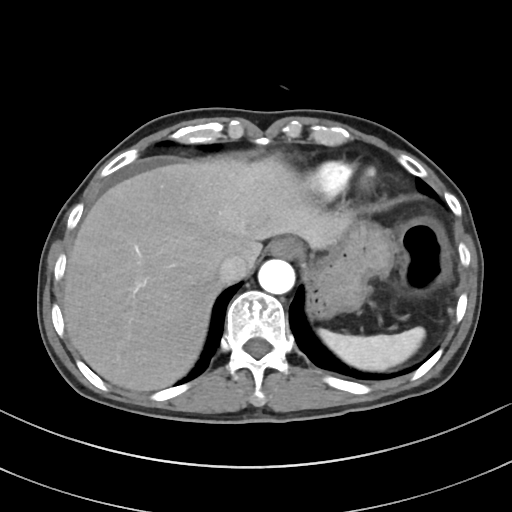 Computed tomography, abdomen — axial view — acquired on SOMATOM Force — scan has 15 labeled organs (that count is for the whole scan; organs this slice misses have no box)
Organ boxes in pixel coordinates; each row gives the top-left (x1, y1) and bottom-right (x2, y2) corners.
| organ | x1 | y1 | x2 | y2 |
|---|---|---|---|---|
| spleen | 319 | 326 | 424 | 371 |
| esophagus | 270 | 237 | 302 | 257 |
| liver | 63 | 156 | 351 | 391 |
| stomach | 306 | 221 | 397 | 318 |
| aorta | 258 | 259 | 294 | 294 |
| inferior vena cava | 218 | 254 | 248 | 282 |